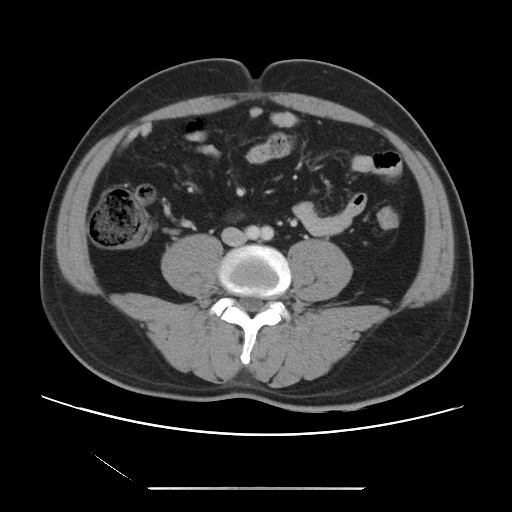
Abdominal CT · axial view · W/L 400/40 HU · 15 organs annotated in this scan (that count is for the whole scan; organs this slice misses have no box)
Each box given as x1,y1,x2,y2.
Organ bounding boxes:
- inferior vena cava: x1=222, y1=228, x2=247, y2=245